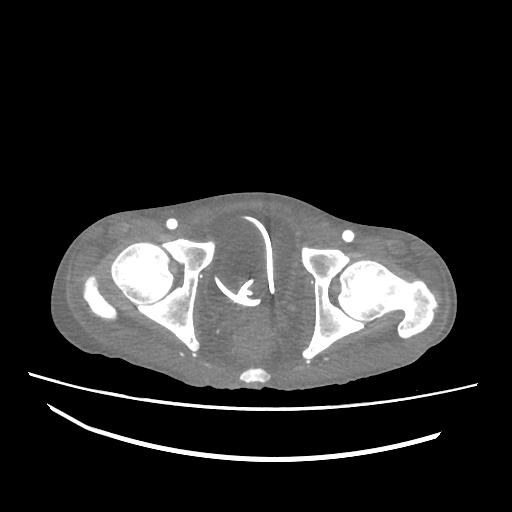 CT, abdomen/pelvis. axial view. abdomen soft-tissue window
<organs><organ name="bladder" x1="206" y1="207" x2="295" y2="309"/></organs>